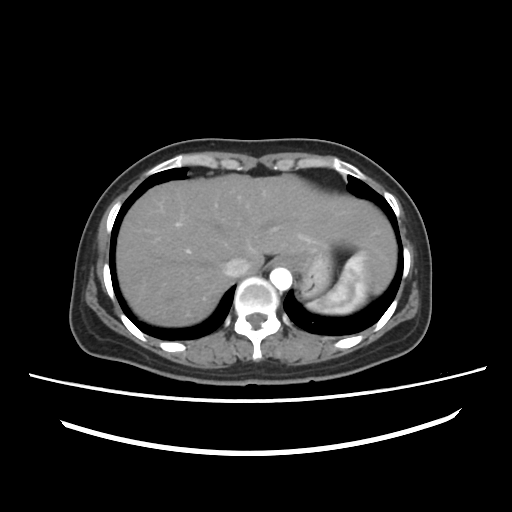 Abdominal CT — axial view — soft-tissue window (W 400 / L 40) — 45-year-old female patient — acquired on Aquilion ONE
Coordinates as <box>x1,y1,x2,y2</box> in pixels.
inferior vena cava: <box>223,257,248,277</box>
esophagus: <box>271,257,288,266</box>
stomach: <box>288,248,333,297</box>
spleen: <box>307,251,376,314</box>
aorta: <box>270,267,291,290</box>
liver: <box>116,174,396,326</box>